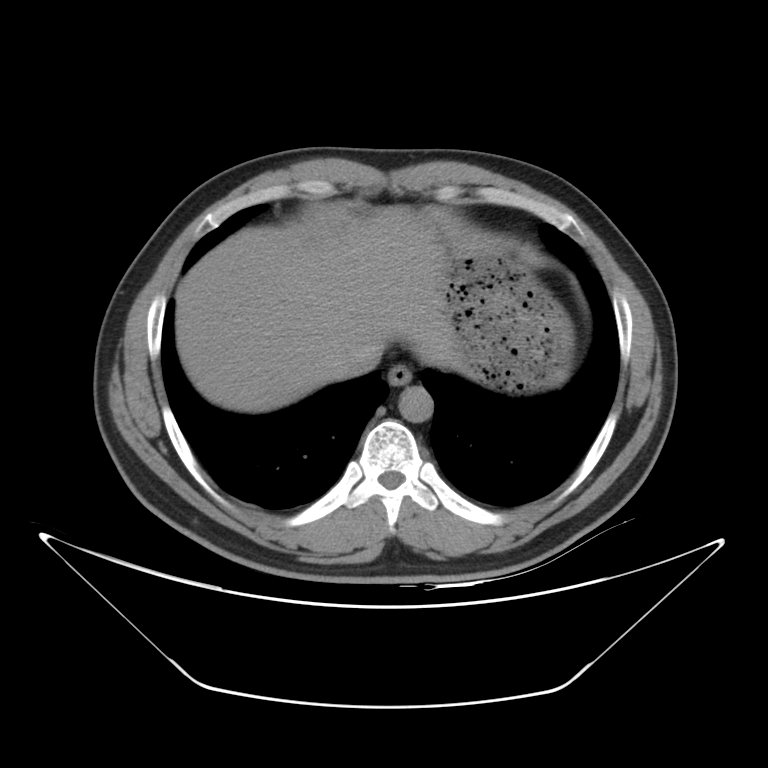

CT, abdomen/pelvis — axial view — 768x768 px
One row per box, in pixels: columns x1 and y1 give the top-left corner, x2 and y2 the bottom-right.
| organ | x1 | y1 | x2 | y2 |
|---|---|---|---|---|
| esophagus | 387 | 364 | 412 | 386 |
| liver | 175 | 206 | 461 | 412 |
| stomach | 437 | 232 | 573 | 391 |
| aorta | 399 | 387 | 433 | 422 |
| inferior vena cava | 336 | 342 | 381 | 377 |